Chest-level CT slice, above the liver and spleen · axial view
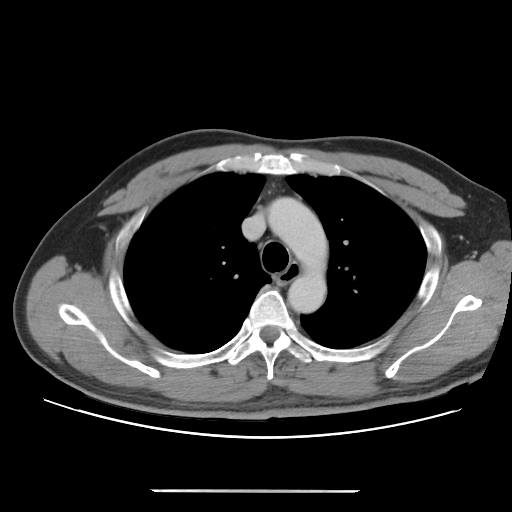
At this level of the chest no structure but the esophagus and the aorta has a label in this dataset, and those two are boxed only where they are labeled.
<organs><organ name="esophagus" x1="277" y1="266" x2="297" y2="284"/><organ name="aorta" x1="268" y1="197" x2="327" y2="313"/></organs>